Computed tomography, abdomen — axial view — abdomen soft-tissue window — 512x512 px
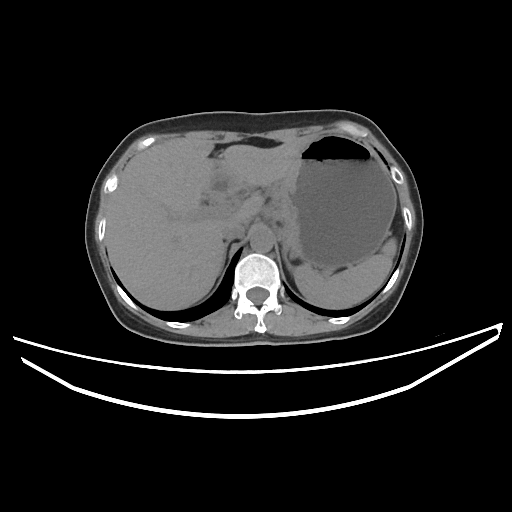

Boxes: x1:y1:x2:y2 in pixels. 7 labeled organs on this slice — spleen at 294:238:396:308; liver at 106:136:311:309; stomach at 207:134:396:272; aorta at 250:228:273:252; inferior vena cava at 221:223:245:240; right adrenal gland at 222:241:229:266; left adrenal gland at 283:252:292:272.